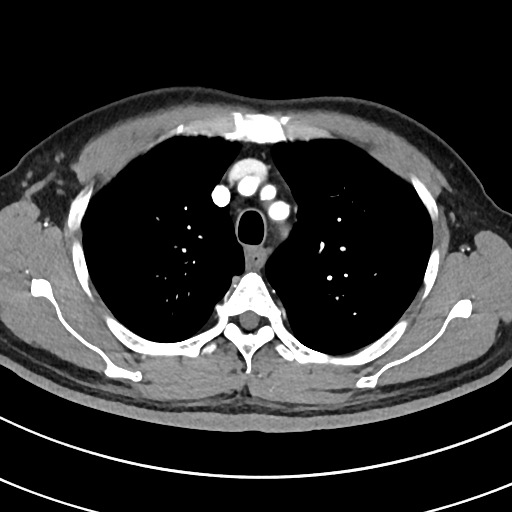
Chest-level CT slice, above the liver and spleen; axial view; 512x512 px
At this level of the chest this dataset labels only the esophagus and the aorta, and each is boxed only where it is labeled; the heart and lungs are never labeled.
<organs><organ name="aorta" x1="270" y1="203" x2="286" y2="214"/><organ name="esophagus" x1="246" y1="249" x2="265" y2="268"/></organs>